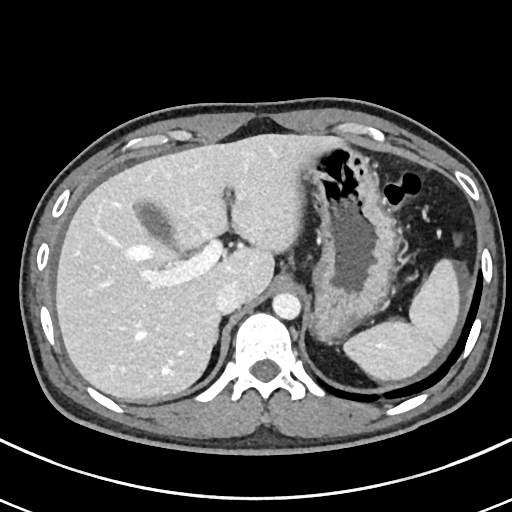
Computed tomography, abdomen; Axial slice 176/218; 512x512 px
Each box given as x1,y1,x2,y2.
Organ bounding boxes:
- gall bladder: x1=135, y1=203, x2=175, y2=243
- inferior vena cava: x1=216, y1=282, x2=245, y2=314
- aorta: x1=272, y1=293, x2=301, y2=320
- stomach: x1=308, y1=147, x2=396, y2=342
- spleen: x1=342, y1=260, x2=459, y2=380
- liver: x1=56, y1=134, x2=348, y2=400